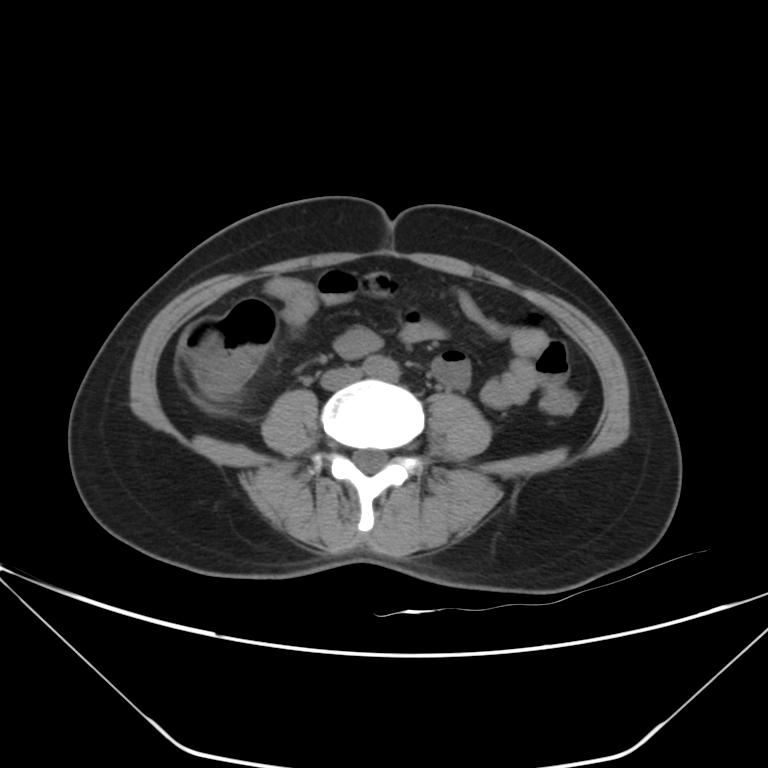

Computed tomography, abdomen. axial view. W/L 400/40 HU
Boxes: x1:y1:x2:y2 in pixels.
Organ bounding boxes:
- aorta: 362:356:399:380
- inferior vena cava: 321:367:363:389